Abdominal CT — Axial slice 163/187 — soft-tissue window — 15 organs annotated in this scan (that count is for the whole scan; organs this slice misses have no box)
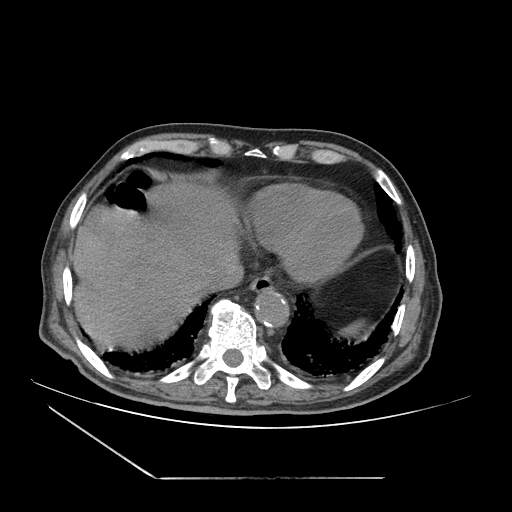

<organs><organ name="spleen" x1="340" y1="320" x2="363" y2="336"/><organ name="gall bladder" x1="84" y1="207" x2="104" y2="237"/><organ name="esophagus" x1="250" y1="275" x2="273" y2="293"/><organ name="liver" x1="72" y1="182" x2="240" y2="348"/><organ name="aorta" x1="255" y1="289" x2="288" y2="326"/><organ name="inferior vena cava" x1="200" y1="265" x2="243" y2="293"/></organs>